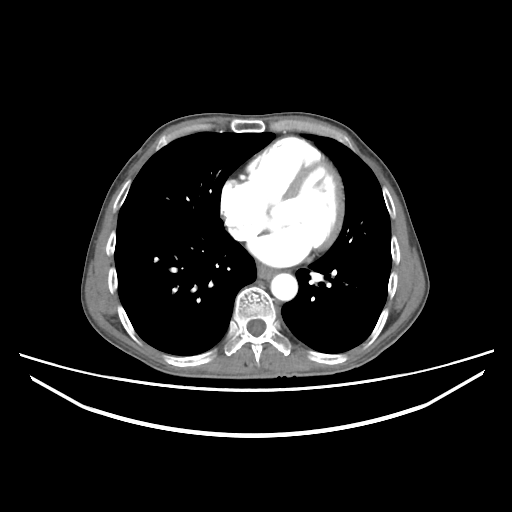 CT of the abdomen reaching into the lower chest, slice just above the liver and spleen — Axial slice 83/118 — soft-tissue window, W/L 400/40
No part of the heart or lungs is labeled in this dataset, so neither has a box here.
{"organs":{"esophagus":[257,265,274,278],"aorta":[270,273,297,300]}}